Abdominal CT; axial view; 15 organs annotated in this scan (counted over the whole 3D scan, not this slice; an organ is boxed only where this slice passes through it)
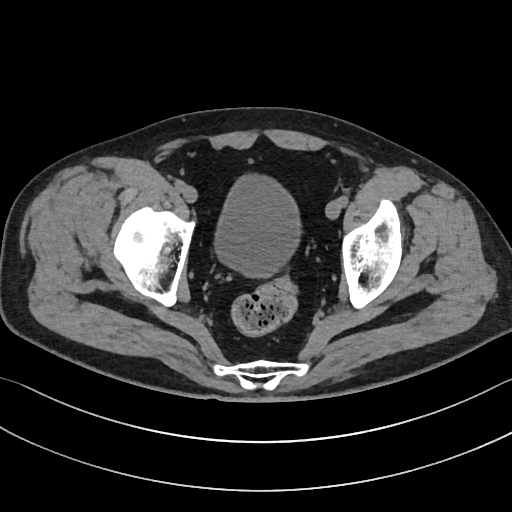 Each box given as x1,y1,x2,y2.
Organ bounding boxes:
- bladder: x1=217, y1=176, x2=300, y2=279